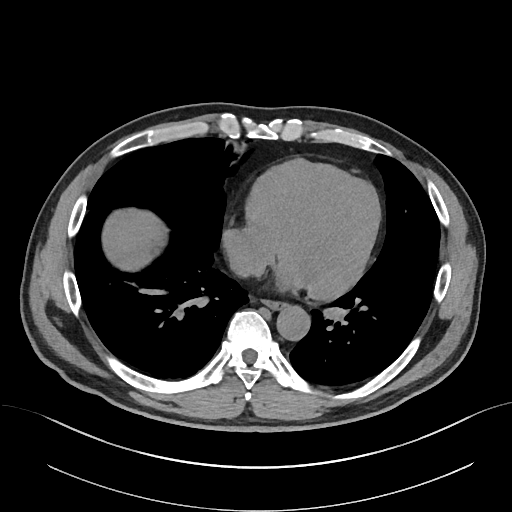 Computed tomography, abdomen. axial view. soft-tissue window (W 400 / L 40)
<organs><organ name="esophagus" x1="262" y1="299" x2="285" y2="309"/><organ name="liver" x1="102" y1="208" x2="166" y2="271"/><organ name="aorta" x1="276" y1="305" x2="310" y2="340"/><organ name="inferior vena cava" x1="230" y1="252" x2="265" y2="275"/></organs>